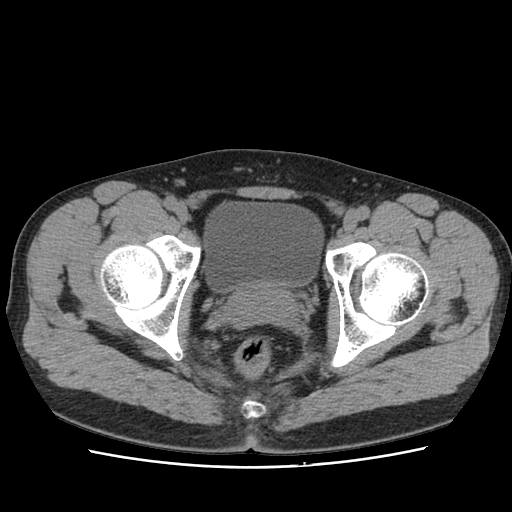
CT, abdomen/pelvis; axial view; soft-tissue window (W 400 / L 40)
Coordinates as <box>x1,y1,x2,y2</box> in pixels.
Organ bounding boxes:
- bladder: <box>204,203,321,292</box>
- prostate/uterus: <box>227,283,296,323</box>